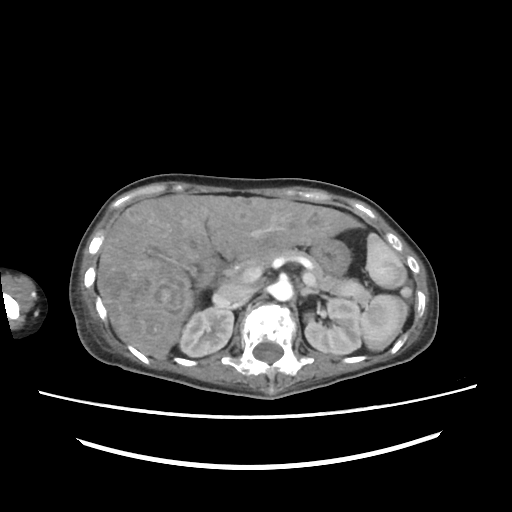

Abdominal CT; axial view; scan has 15 labeled organs (a whole-scan count: organs this slice does not pass through have no box)
Bounding boxes as [x1, y1, x2, y2] in pixel coordinates.
inferior vena cava: [216, 282, 252, 301]
gall bladder: [147, 249, 195, 275]
right kidney: [179, 307, 233, 356]
left kidney: [304, 297, 361, 354]
stomach: [311, 238, 350, 275]
liver: [96, 194, 361, 359]
left adrenal gland: [300, 284, 317, 296]
pancreas: [225, 248, 371, 305]
duodenum: [196, 256, 225, 288]
spleen: [360, 233, 412, 350]
aorta: [270, 279, 292, 301]